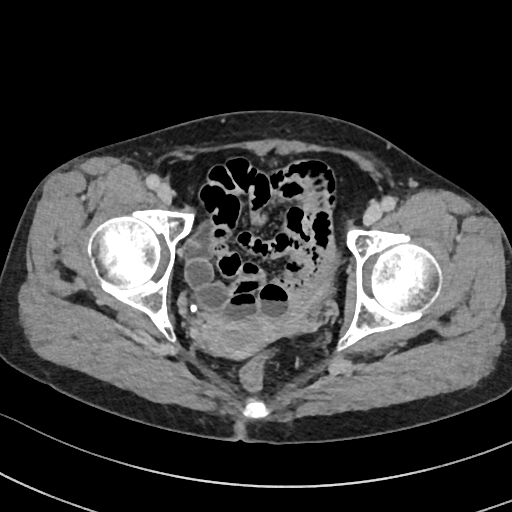

CT abdomen; axial view; 512x512 px; 15 organs annotated in this scan (a whole-scan count: organs this slice does not pass through have no box)
<organs><organ name="prostate/uterus" x1="208" y1="317" x2="280" y2="358"/></organs>